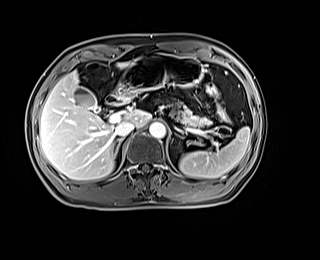

Abdominal MRI — axial plane, index 26 — 1st–99th percentile window
Boxes: x1 y1 x2 y2 (pixel coords, space-separated). 9 labeled organs on this slice — liver at 40 63 150 180; spleen at 179 127 250 178; gall bladder at 74 87 99 112; stomach at 115 52 203 101; right adrenal gland at 113 138 124 156; pancreas at 176 106 210 128; aorta at 149 122 165 138; duodenum at 106 93 120 104; inferior vena cava at 115 121 134 136.